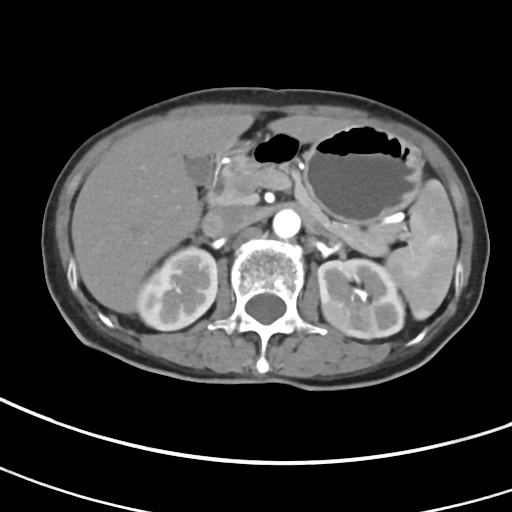

CT, abdomen/pelvis · axial view · acquired on SOMATOM Force
Boxes: x1 y1 x2 y2 (pixel coords, space-separated). 10 labeled organs on this slice — liver at 71 112 344 313; stomach at 243 124 422 224; pancreas at 210 147 400 256; inferior vena cava at 202 205 252 237; left kidney at 317 259 404 339; duodenum at 205 158 219 202; gall bladder at 186 158 213 185; right kidney at 136 247 217 330; spleen at 386 179 457 320; aorta at 273 208 300 238.